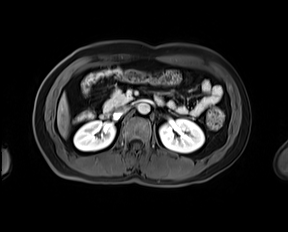
MRI, abdomen; axial view; 1st–99th percentile window; 288x232 px
Boxes: x1 y1 x2 y2 (pixel coords, space-separated). The annotated organs in this slice are: aorta at 137 103 150 114, right kidney at 73 120 115 151, pancreas at 103 90 131 111, liver at 57 94 69 138, left kidney at 159 119 204 153, inferior vena cava at 114 106 129 117, duodenum at 100 95 164 118.